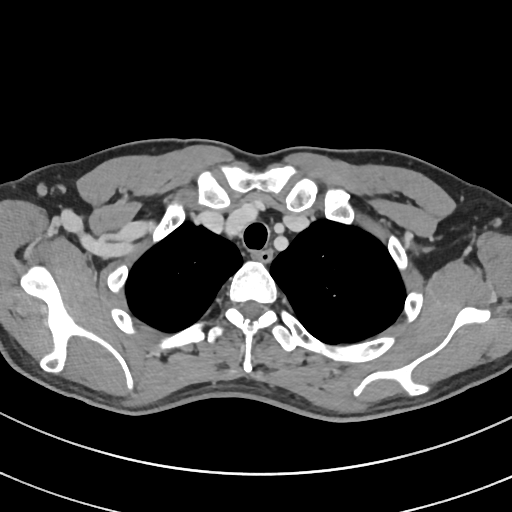
Abdominal CT reaching into the chest; this slice is in the chest · axial view · soft-tissue window, W/L 400/40 · 512x512 px · SOMATOM Force scanner · 15 organs annotated in this scan (that count is for the whole scan; organs this slice misses have no box)
At this level of the chest no structure but the esophagus and the aorta has a label in this dataset, and those two are boxed only where they are labeled.
{"organs":{"esophagus":[257,249,272,260]}}